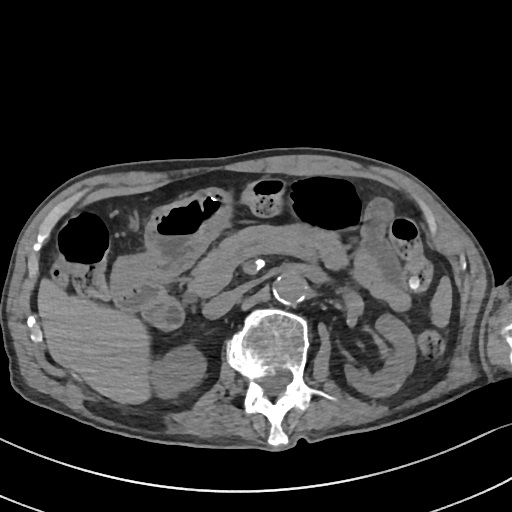

Abdominal CT — axial view
<organs><organ name="spleen" x1="431" y1="275" x2="450" y2="326"/><organ name="right kidney" x1="151" y1="347" x2="204" y2="397"/><organ name="left kidney" x1="344" y1="315" x2="415" y2="397"/><organ name="liver" x1="37" y1="276" x2="149" y2="404"/><organ name="stomach" x1="110" y1="188" x2="232" y2="290"/><organ name="aorta" x1="272" y1="271" x2="307" y2="305"/><organ name="inferior vena cava" x1="202" y1="291" x2="238" y2="319"/><organ name="pancreas" x1="186" y1="224" x2="348" y2="297"/><organ name="duodenum" x1="113" y1="279" x2="183" y2="328"/></organs>